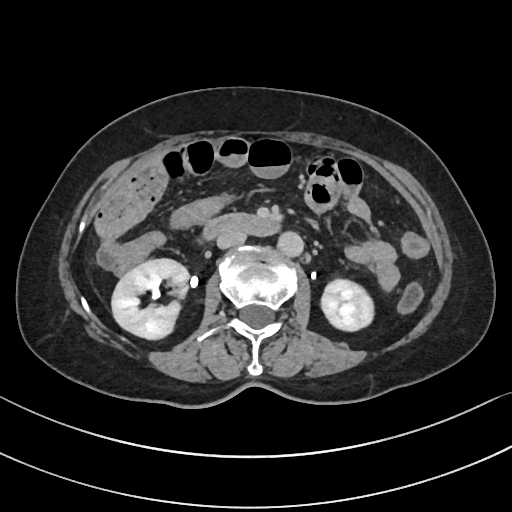

CT, abdomen/pelvis; axial plane, index 128; soft-tissue window
<organs><organ name="right kidney" x1="111" y1="259" x2="188" y2="339"/><organ name="left kidney" x1="321" y1="279" x2="373" y2="330"/><organ name="aorta" x1="278" y1="231" x2="303" y2="256"/><organ name="inferior vena cava" x1="217" y1="228" x2="246" y2="249"/><organ name="duodenum" x1="202" y1="213" x2="280" y2="239"/></organs>